CT, abdomen/pelvis — axial view — soft-tissue window
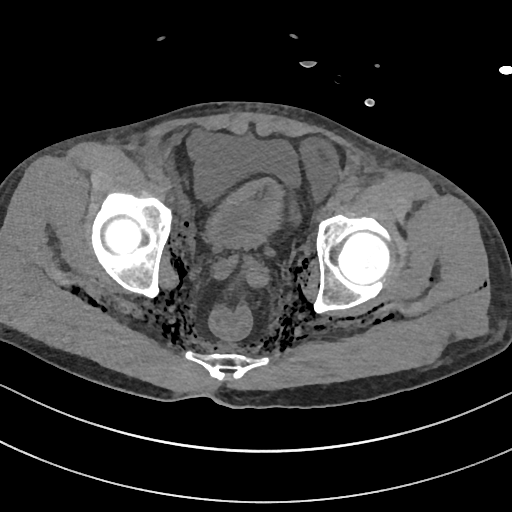
Organ boxes in pixel coordinates; each row gives the top-left (x1, y1) and bottom-right (x2, y2) corners.
| organ | x1 | y1 | x2 | y2 |
|---|---|---|---|---|
| bladder | 205 | 178 | 283 | 247 |